CT, abdomen/pelvis · axial plane, index 61 · W/L 400/40 HU · 33-year-old male patient
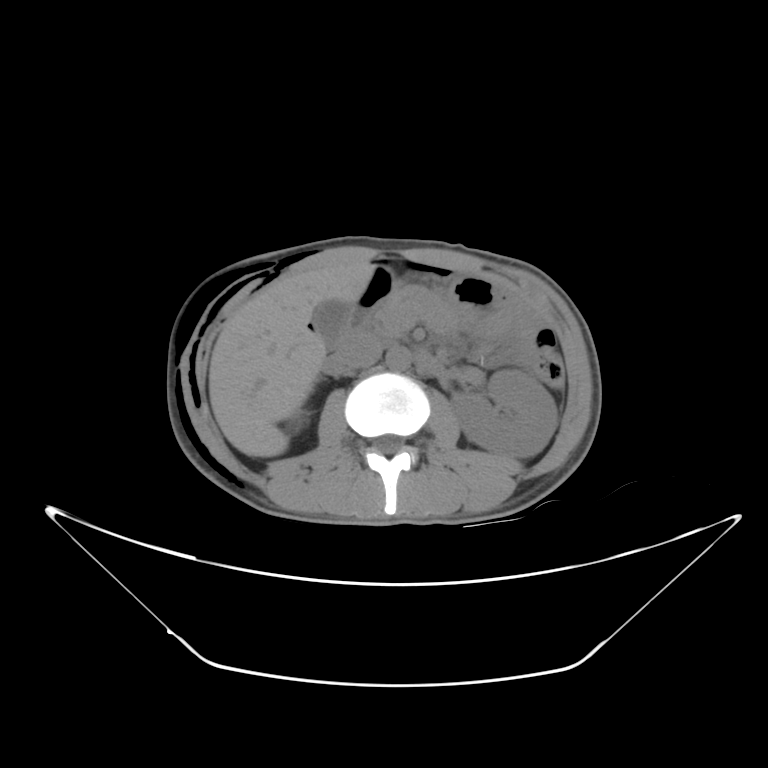 {"organs":{"left kidney":[452,368,556,459],"gall bladder":[312,300,351,342],"liver":[210,262,371,457],"stomach":[352,264,495,324],"aorta":[386,347,414,371],"inferior vena cava":[342,334,378,367],"pancreas":[372,284,459,338]}}